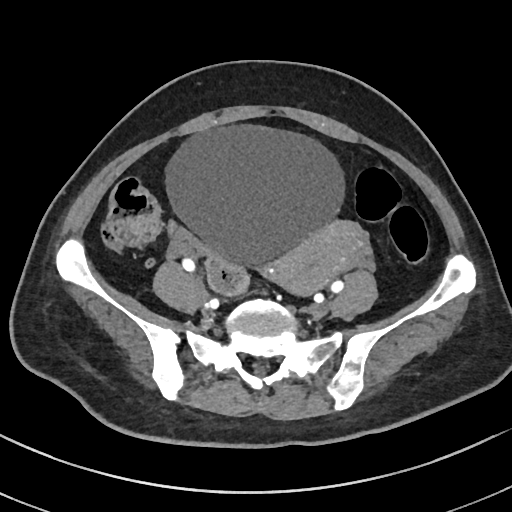 Computed tomography, abdomen — axial plane, index 68 — 512x512 px
Box edges are left/top/right/bottom in pixels.
Organ bounding boxes:
- bladder: left=164, top=124, right=346, bottom=265
- prostate/uterus: left=267, top=221, right=363, bottom=296